Abdominal CT — axial view — 39-year-old female patient — acquired on Brilliance16 — 15 organs annotated in this scan (counted over the whole 3D scan, not this slice; an organ is boxed only where this slice passes through it)
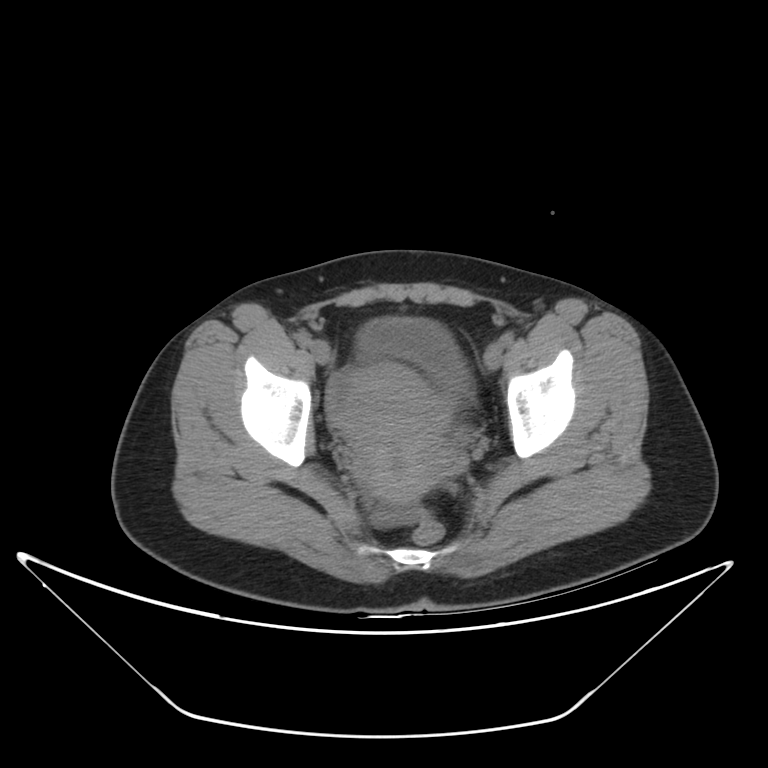 Coordinates as <box>x1,y1,x2,y2</box> in pixels.
prostate/uterus: <box>339,364,446,506</box>
bladder: <box>357,318,470,396</box>